MRI, abdomen · axial view · percentile-normalized
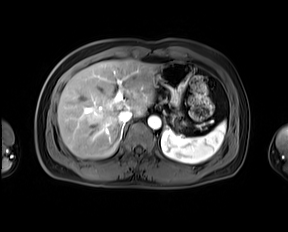 Each box given as x1,y1,x2,y2.
inferior vena cava: x1=118, y1=110, x2=132, y2=122
liver: x1=57, y1=59, x2=159, y2=158
spleen: x1=160, y1=121, x2=226, y2=163
aorta: x1=147, y1=115, x2=161, y2=129
stomach: x1=156, y1=61, x2=192, y2=128